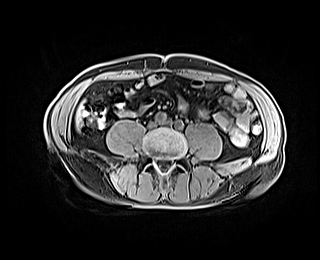
Magnetic resonance imaging, abdomen; Axial slice 8/72; 320x260 px
Boxes: x1:y1:x2:y2 in pixels.
liver: 75:102:83:130